CT, abdomen/pelvis · Axial slice 42/88 · 512x512 px
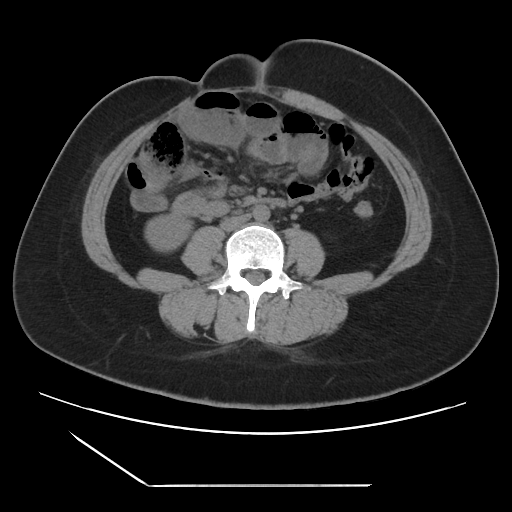
Boxes: x1 y1 x2 y2 (pixel coords, space-separated). Labeled organs on this slice: right kidney at 144 214 191 251, aorta at 253 205 269 221, inferior vena cava at 221 214 249 231.